Computed tomography, abdomen; axial view
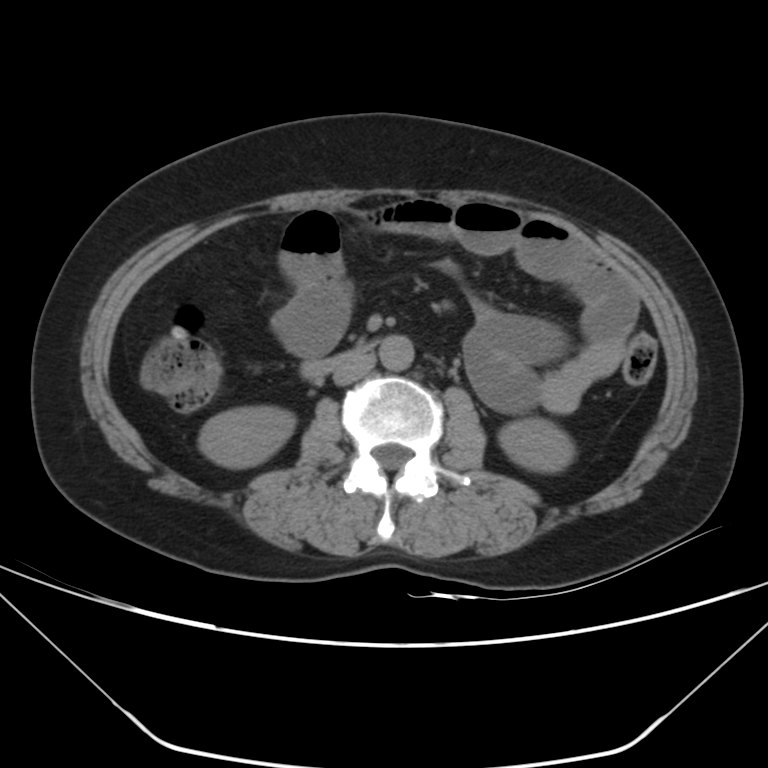

Bounding boxes in pixels, one row per box: x1, y1 is the top-left corner and x2, y2 the bottom-right.
| organ | x1 | y1 | x2 | y2 |
|---|---|---|---|---|
| right kidney | 199 | 406 | 295 | 468 |
| left kidney | 498 | 418 | 575 | 471 |
| aorta | 380 | 335 | 413 | 371 |
| inferior vena cava | 332 | 354 | 376 | 385 |
| duodenum | 301 | 340 | 377 | 381 |